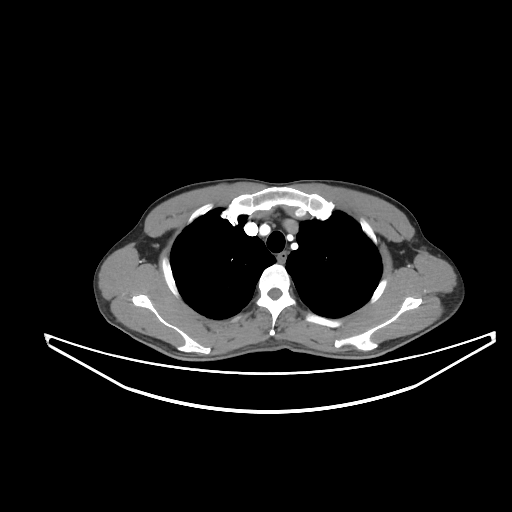 Chest-level slice from an abdominal CT that extends up into the chest — axial view — 52-year-old male patient — 15 organs annotated in this scan (a whole-scan count: organs this slice does not pass through have no box)
At this level of the chest this dataset labels only the esophagus and the aorta, and each is boxed only where it is labeled; the heart and lungs are never labeled.
Boxes: x1:y1:x2:y2 in pixels.
Organ bounding boxes:
- esophagus: 278:253:286:263